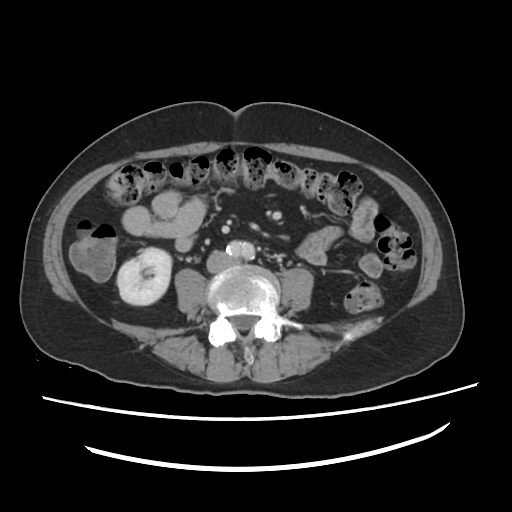 CT, abdomen/pelvis · axial view · Aquilion ONE scanner
One row per box, in pixels: columns x1 and y1 give the top-left corner, x2 and y2 the bottom-right.
| organ | x1 | y1 | x2 | y2 |
|---|---|---|---|---|
| right kidney | 117 | 248 | 171 | 304 |
| aorta | 230 | 240 | 250 | 242 |
| inferior vena cava | 206 | 251 | 235 | 272 |